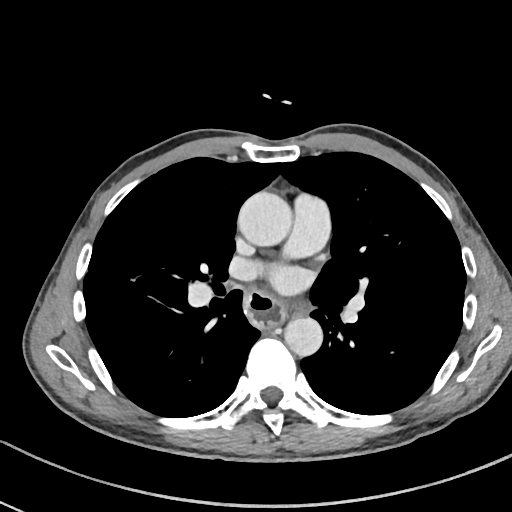 Abdominal CT reaching into the chest; this slice is in the chest · Axial slice 239/306
On a slice this high in the chest, this dataset labels only the esophagus and the aorta, and each is boxed only where it is labeled; the heart, lungs and other chest structures are not labeled. Bounding boxes as [x1, y1, x2, y2] in pixel coordinates. 2 labeled organs on this slice — esophagus at [244, 288, 284, 330]; aorta at [238, 191, 292, 246]; aorta at [284, 317, 322, 357].